CT abdomen; axial view
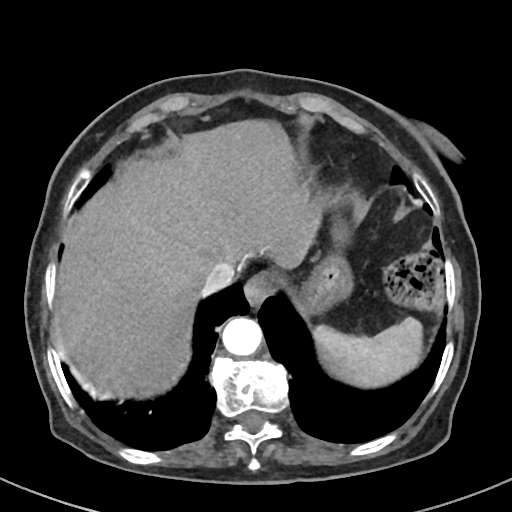
Boxes are (x1, y1, x2, y2) in pixels. The annotated organs in this slice are: stomach at (300, 221, 350, 312), aorta at (221, 317, 261, 356), liver at (58, 123, 322, 396), esophagus at (244, 273, 274, 310), spleen at (312, 317, 421, 385), inferior vena cava at (201, 260, 237, 291).